CT, abdomen/pelvis — axial view — soft-tissue window (W 400 / L 40) — 512x512 px — 15 organs annotated in this scan (that count is for the whole scan; organs this slice misses have no box)
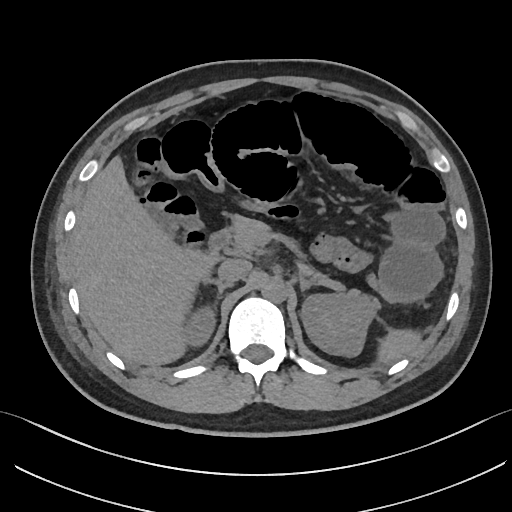

Bounding boxes as [x1, y1, x2, y2] in pixel coordinates. 10 labeled organs on this slice — spleen at [377, 329, 421, 362]; right kidney at [184, 306, 215, 346]; right adrenal gland at [204, 279, 233, 309]; liver at [71, 156, 217, 364]; left adrenal gland at [299, 276, 313, 294]; left kidney at [300, 292, 375, 356]; duodenum at [208, 229, 230, 257]; aorta at [261, 276, 287, 302]; inferior vena cava at [217, 259, 251, 283]; pancreas at [228, 215, 377, 306].